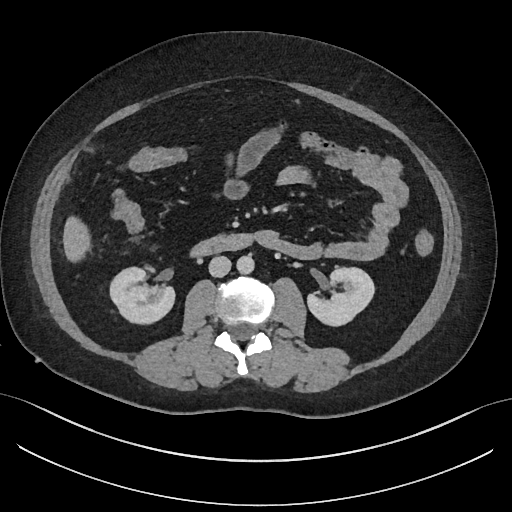

Computed tomography, abdomen · axial view · soft-tissue window
<organs><organ name="right kidney" x1="110" y1="266" x2="174" y2="322"/><organ name="left kidney" x1="307" y1="267" x2="373" y2="324"/><organ name="liver" x1="63" y1="218" x2="89" y2="257"/><organ name="aorta" x1="237" y1="255" x2="254" y2="273"/><organ name="inferior vena cava" x1="209" y1="256" x2="231" y2="277"/><organ name="duodenum" x1="193" y1="234" x2="251" y2="255"/></organs>